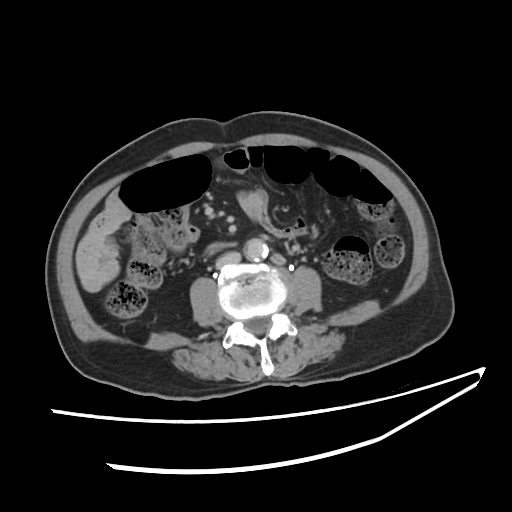

CT, abdomen/pelvis; Axial slice 52/91; soft-tissue window; acquired on Aquilion ONE
Bounding boxes as [x1, y1, x2, y2] in pixel coordinates. 2 labeled organs on this slice — inferior vena cava at [215, 252, 239, 268]; aorta at [245, 238, 267, 260].